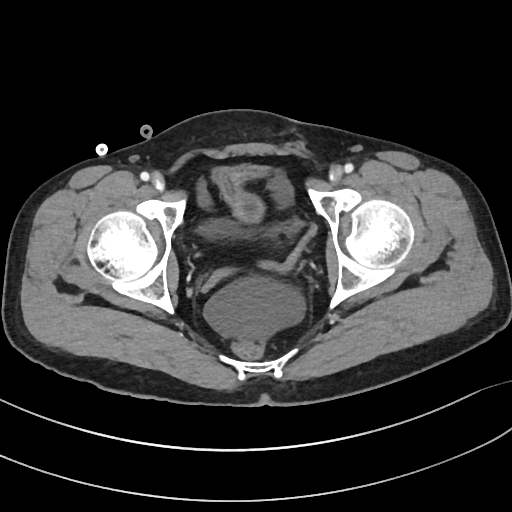
CT abdomen. axial view
Boxes are (x1, y1, x2, y2) in pixels.
Organ bounding boxes:
- bladder: (211, 164, 268, 221)